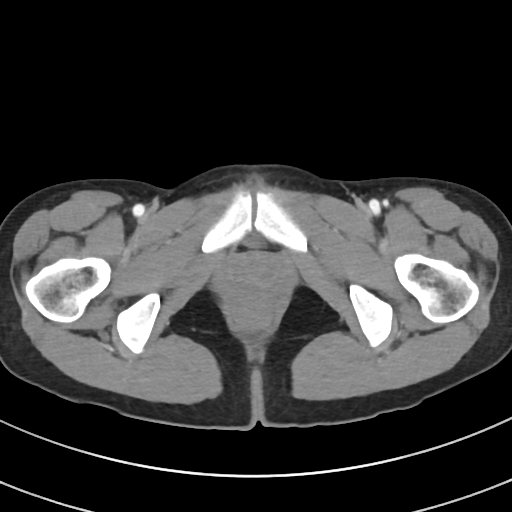

Computed tomography, abdomen · axial plane, index 6 · abdomen soft-tissue window
Coordinates as <box>x1,y1,x2,y2</box> in pixels.
Organ bounding boxes:
- bladder: <box>246,234,264,246</box>